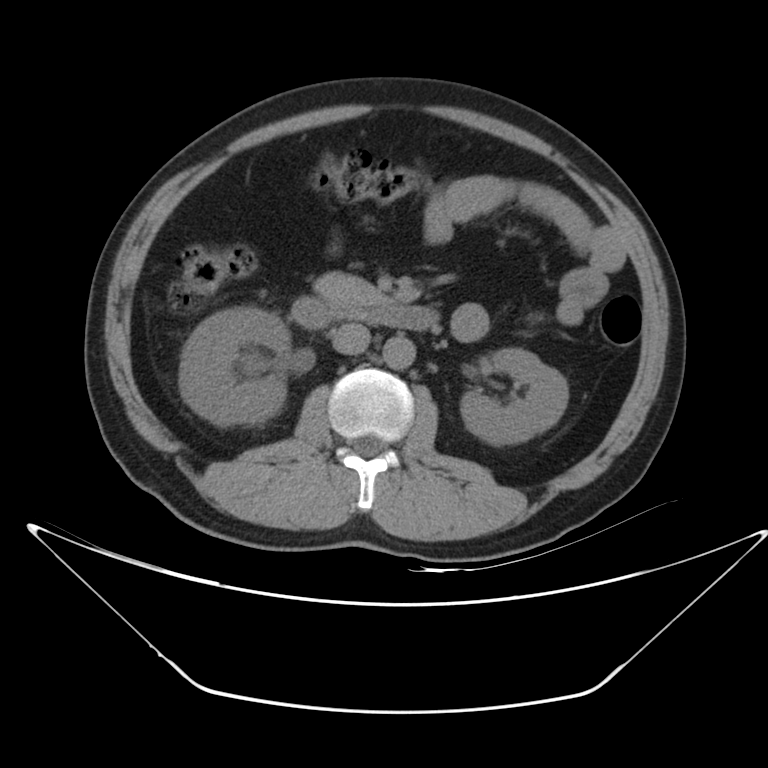
CT abdomen — axial view — W/L 400/40 HU — 768x768 px — 45-year-old male patient
Box edges are left/top/right/bottom in pixels.
right kidney: left=178, top=307, right=290, bottom=425
left kidney: left=461, top=348, right=568, bottom=444
aorta: left=383, top=337, right=415, bottom=369
inferior vena cava: left=331, top=323, right=370, bottom=354
pancreas: left=313, top=273, right=392, bottom=308
duodenum: left=291, top=298, right=439, bottom=330